Computed tomography, abdomen · axial plane, index 71 · abdomen soft-tissue window
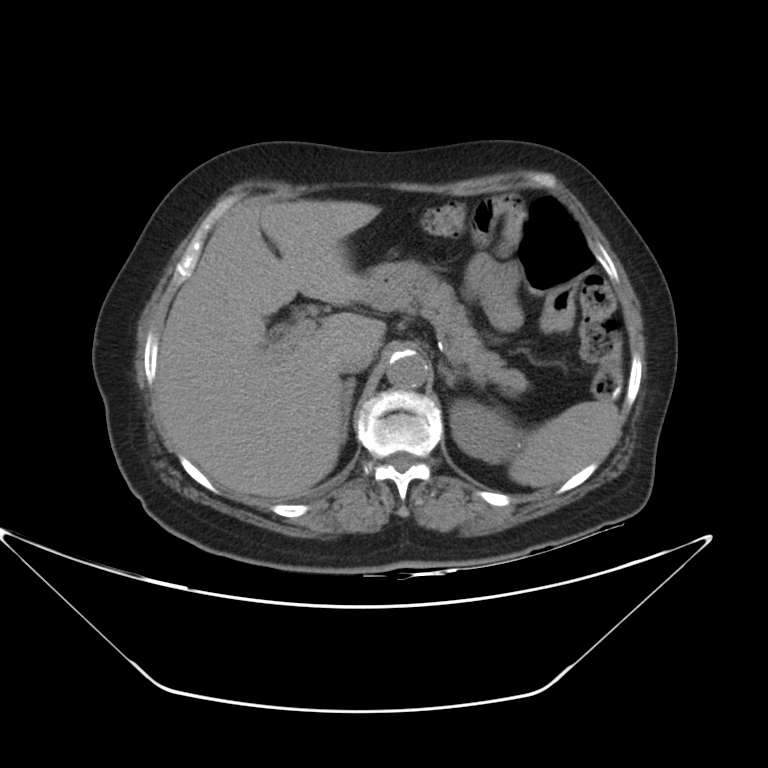
Coordinates as <box>x1,y1,x2,y2</box> in pixels.
spleen: <box>508,400,619,488</box>
left kidney: <box>450,399,519,462</box>
liver: <box>157,199,384,498</box>
stomach: <box>358,261,438,302</box>
aorta: <box>387,350,427,388</box>
inferior vena cava: <box>337,352,372,374</box>
pancreas: <box>372,283,527,394</box>
right adrenal gland: <box>339,377,356,443</box>
left adrenal gland: <box>439,362,465,386</box>